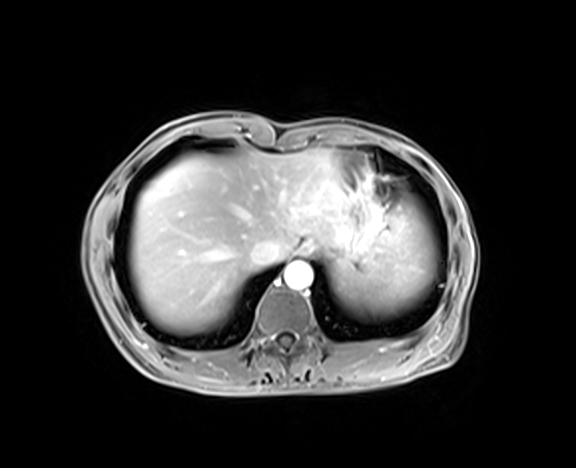

MRI, abdomen; axial view; 1st–99th percentile window; 576x468 px
One row per box, in pixels: columns x1 and y1 give the top-left corner, x2 and y2 the bottom-right.
| organ | x1 | y1 | x2 | y2 |
|---|---|---|---|---|
| spleen | 329 | 197 | 437 | 315 |
| esophagus | 297 | 241 | 313 | 255 |
| liver | 130 | 149 | 346 | 330 |
| stomach | 313 | 169 | 384 | 275 |
| aorta | 284 | 262 | 313 | 289 |
| inferior vena cava | 250 | 241 | 275 | 267 |